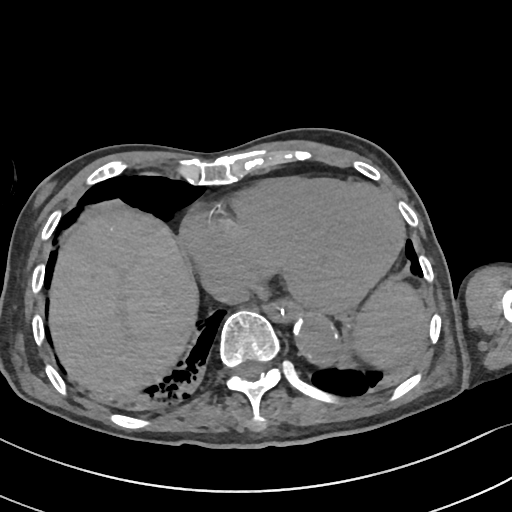
CT abdomen. Axial slice 187/208. 512x512 px
<organs><organ name="spleen" x1="353" y1="281" x2="423" y2="368"/><organ name="esophagus" x1="265" y1="299" x2="301" y2="322"/><organ name="liver" x1="49" y1="207" x2="198" y2="392"/><organ name="aorta" x1="294" y1="316" x2="340" y2="364"/><organ name="inferior vena cava" x1="207" y1="272" x2="250" y2="304"/></organs>